Abdominal CT — axial view
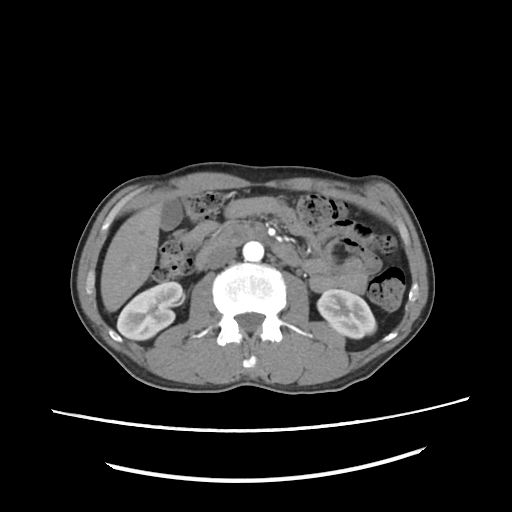
{"organs":{"inferior vena cava":[206,246,236,268],"gall bladder":[160,198,181,231],"right kidney":[117,282,183,339],"left kidney":[318,288,376,337],"duodenum":[196,225,303,270],"aorta":[243,242,263,260],"liver":[101,202,163,310]}}